Abdominal CT — axial view — soft-tissue window (W 400 / L 40)
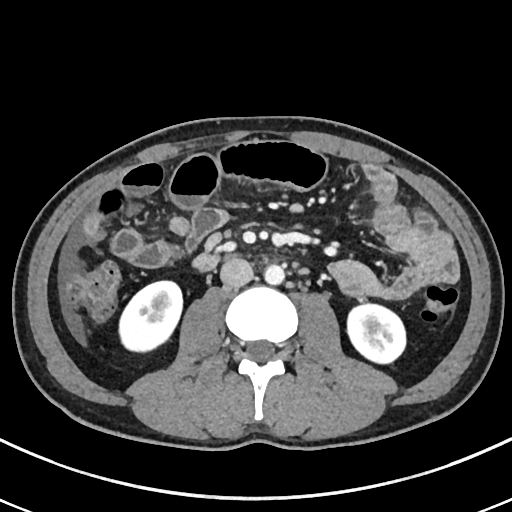

Each box given as x1,y1,x2,y2.
Organ bounding boxes:
- right kidney: x1=119, y1=281, x2=183, y2=352
- left kidney: x1=346, y1=303, x2=406, y2=364
- aorta: x1=265, y1=265, x2=284, y2=285
- inferior vena cava: x1=220, y1=257, x2=253, y2=287